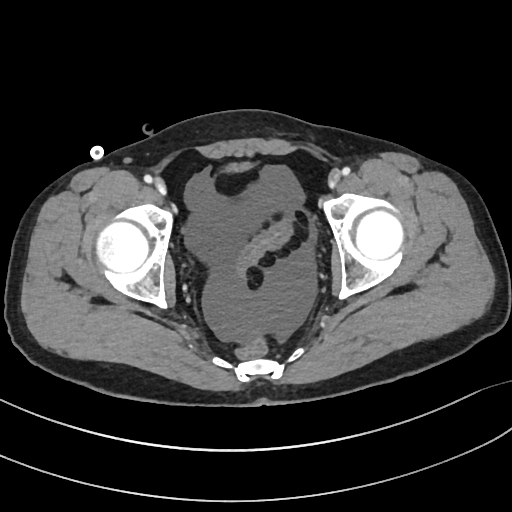 Computed tomography, abdomen. axial view. W/L 400/40 HU. 512x512 px. SOMATOM Force scanner. scan has 15 labeled organs (counted over the whole 3D scan, not this slice; an organ is boxed only where this slice passes through it)
Boxes are (x1, y1, x2, y2) in pixels. The annotated organs in this slice are: bladder at (227, 162, 250, 172).